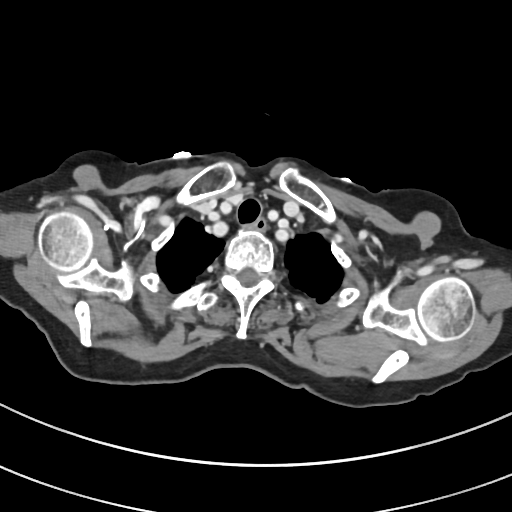
CT of the abdomen extending into the chest, slice through the chest. axial view
On a slice this high in the chest, this dataset labels only the esophagus and the aorta, and each is boxed only where it is labeled; the heart, lungs and other chest structures are not labeled.
<organs><organ name="esophagus" x1="251" y1="218" x2="265" y2="232"/></organs>